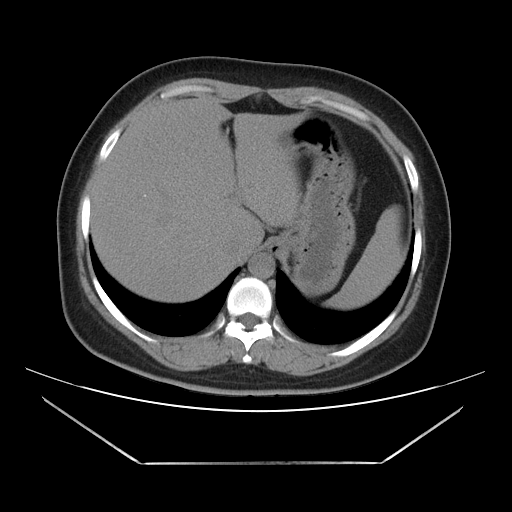

Abdominal CT; axial view; abdomen soft-tissue window; 512x512 px
Boxes: x1 y1 x2 y2 (pixel coords, space-separated).
spleen: 323 205 404 309
liver: 91 97 308 302
stomach: 270 116 354 295
aorta: 248 253 275 278
inferior vena cava: 226 238 256 261